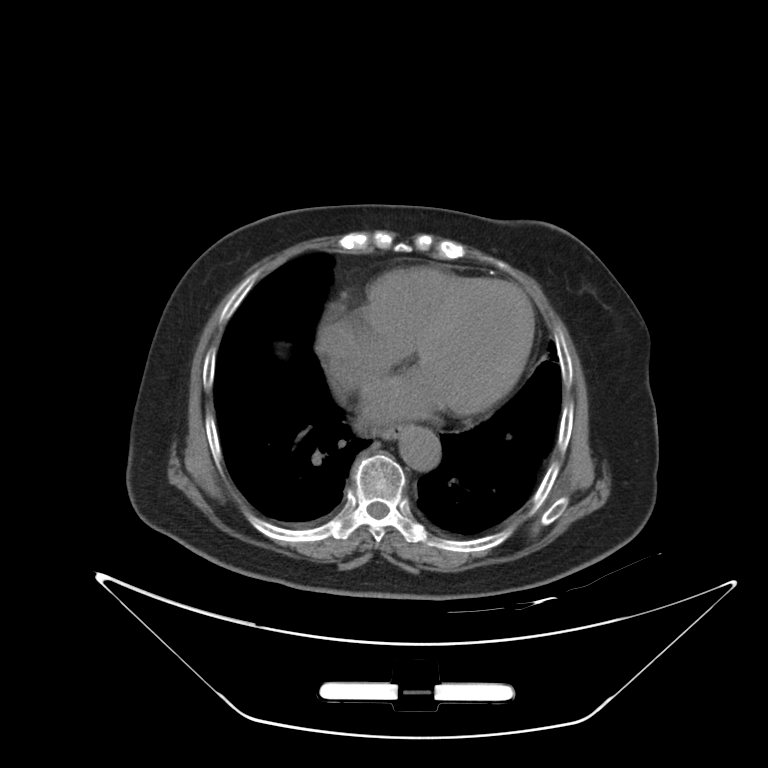

CT of the abdomen reaching into the lower chest, slice just above the liver and spleen. axial view. soft-tissue window (W 400 / L 40). 78-year-old female patient. scan has 15 labeled organs (that count is for the whole scan; organs this slice misses have no box)
No part of the heart or lungs is labeled in this dataset, so neither has a box here.
Coordinates as <box>x1,y1,x2,y2</box> in pixels.
esophagus: <box>378,425,408,438</box>
aorta: <box>398,426,440,471</box>